MRI, abdomen. axial plane, index 37. 576x468 px. Prisma scanner. 13 organs annotated in this scan (that count is for the whole scan; organs this slice misses have no box)
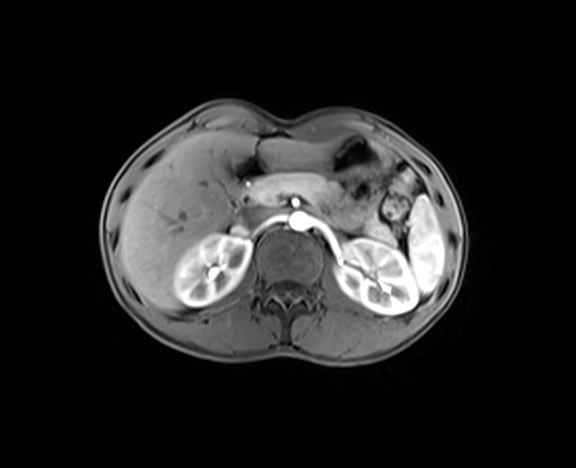

Boxes: x1:y1:x2:y2 in pixels. 9 labeled organs on this slice — liver at 118:131:337:310; inferior vena cava at 238:207:272:226; stomach at 261:135:387:178; right kidney at 173:234:251:306; duodenum at 226:154:268:211; pancreas at 249:172:396:244; spleen at 408:195:445:293; aorta at 288:212:311:231; left kidney at 336:239:417:314.